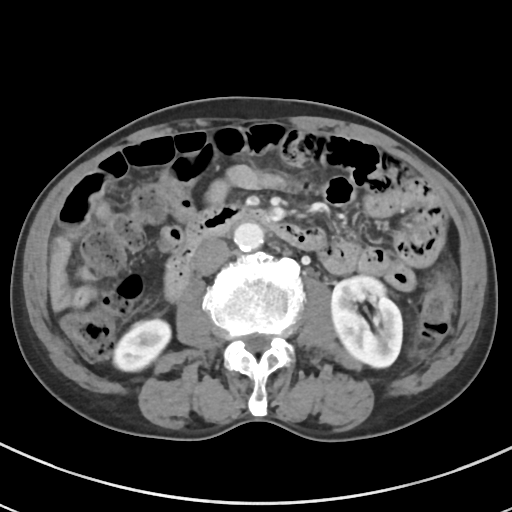

Abdominal CT. axial plane, index 49. soft-tissue window
Bounding boxes as [x1, y1, x2, y2] in pixel coordinates.
right kidney: [113, 319, 170, 371]
left kidney: [331, 275, 402, 367]
aorta: [234, 223, 263, 251]
inferior vena cava: [194, 238, 229, 274]
duodenum: [165, 202, 325, 301]